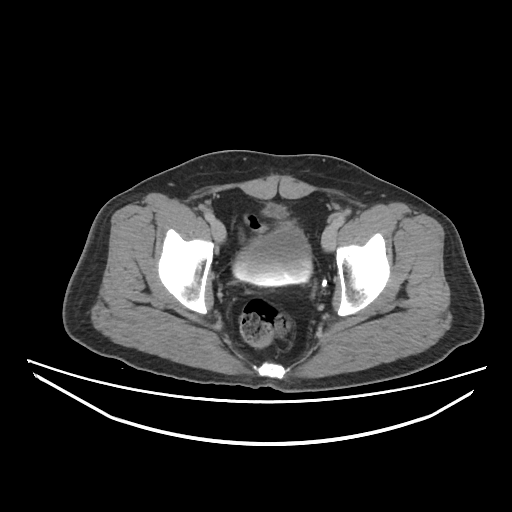
CT abdomen · axial view · abdomen soft-tissue window · acquired on Aquilion ONE · scan has 15 labeled organs (that count is for the whole scan; organs this slice misses have no box)
Bounding boxes in pixels, one row per box: x1, y1 is the top-left corner and x2, y2 the bottom-right.
| organ | x1 | y1 | x2 | y2 |
|---|---|---|---|---|
| bladder | 233 | 204 | 312 | 286 |